CT abdomen · axial view
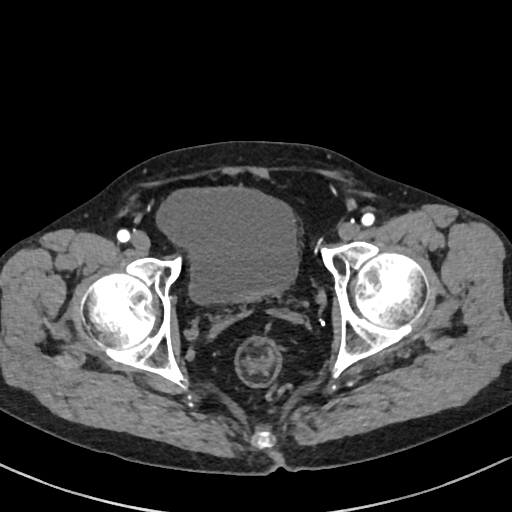
Boxes are (x1, y1, x2, y2) in pixels. 1 labeled organ on this slice — bladder at (158, 189, 298, 303).